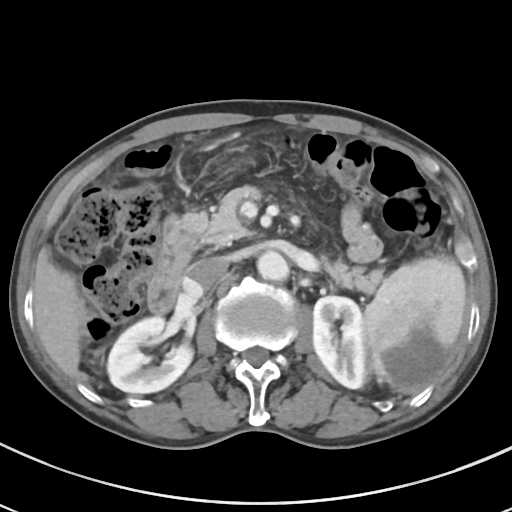 Computed tomography, abdomen — Axial slice 58/122 — soft-tissue window (W 400 / L 40) — 512x512 px
Boxes: x1:y1:x2:y2 in pixels. The annotated organs in this slice are: spleen at 364:256:466:396, aorta at 257:250:289:281, right kidney at 107:315:192:393, duodenum at 147:216:192:312, inferior vena cava at 183:257:226:296, liver at 33:249:87:379, left kidney at 313:296:366:388, pancreas at 177:185:383:293.